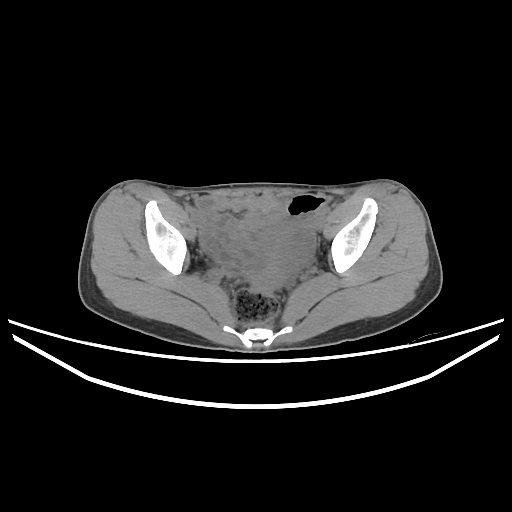 Abdominal CT; axial view; abdomen soft-tissue window; 512x512 px; 31-year-old female patient
Boxes are (x1, y1, x2, y2) in pixels.
Organ bounding boxes:
- prostate/uterus: (265, 259, 280, 277)